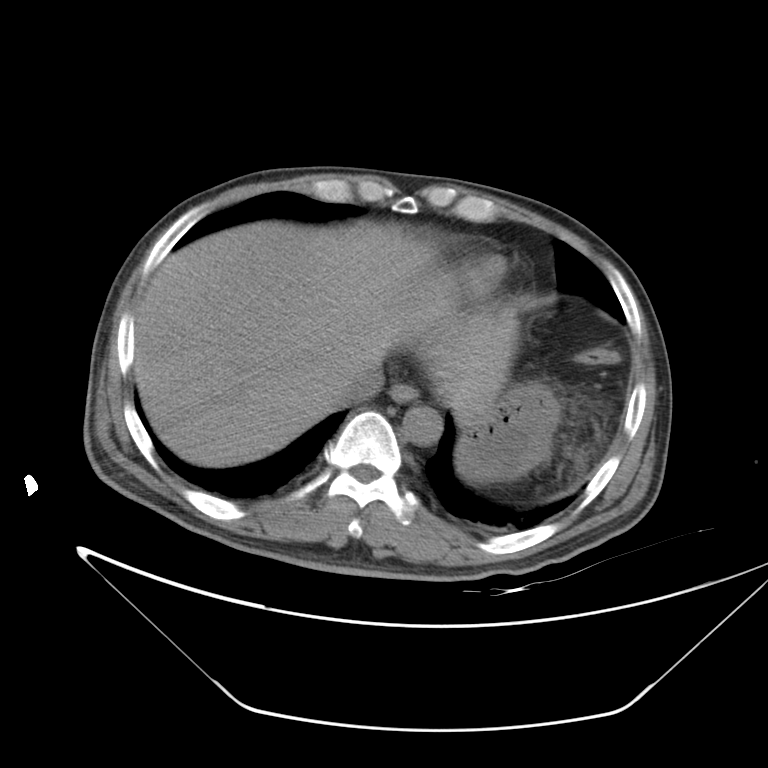
CT, abdomen/pelvis · axial plane, index 93
Boxes are (x1, y1, x2, y2) in pixels.
Organ bounding boxes:
- esophagus: (389, 383, 417, 401)
- liver: (134, 221, 516, 467)
- stomach: (457, 381, 561, 483)
- aorta: (402, 406, 443, 445)
- inferior vena cava: (328, 369, 384, 408)